CT abdomen. axial plane, index 180. 512x512 px
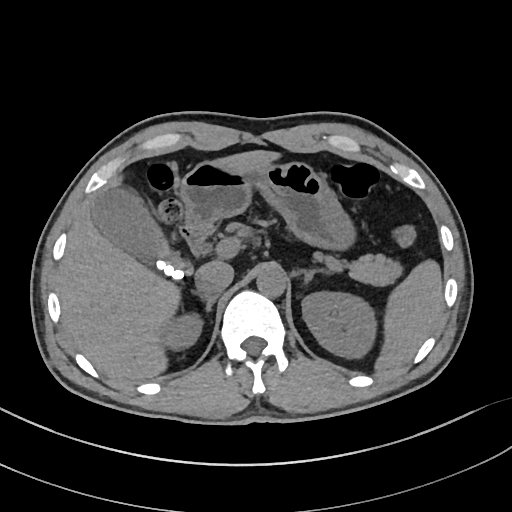

{"organs":{"duodenum":[179,223,212,252],"stomach":[177,163,353,248],"inferior vena cava":[195,262,233,295],"left adrenal gland":[302,270,332,285],"left kidney":[302,292,373,356],"liver":[59,149,283,381],"gall bladder":[92,187,192,277],"pancreas":[348,253,404,286],"aorta":[256,267,287,297],"right kidney":[164,317,201,346],"spleen":[373,258,442,371],"right adrenal gland":[192,293,217,311]}}